CT abdomen · axial view · scan has 15 labeled organs (counted over the whole 3D scan, not this slice; an organ is boxed only where this slice passes through it)
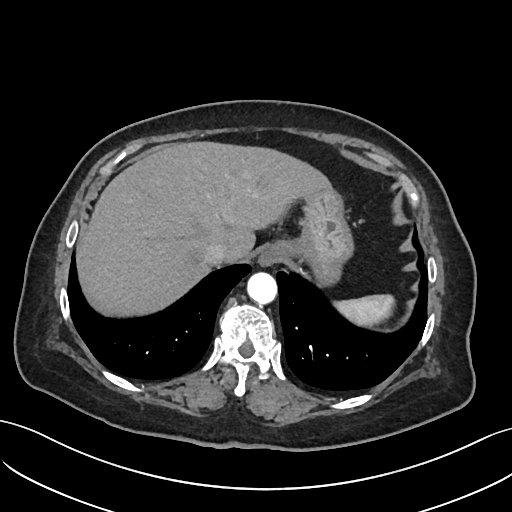
{"organs":{"spleen":[332,293,393,325],"esophagus":[260,245,280,264],"liver":[75,140,329,315],"stomach":[272,183,350,285],"aorta":[247,271,276,302],"inferior vena cava":[203,242,228,265]}}